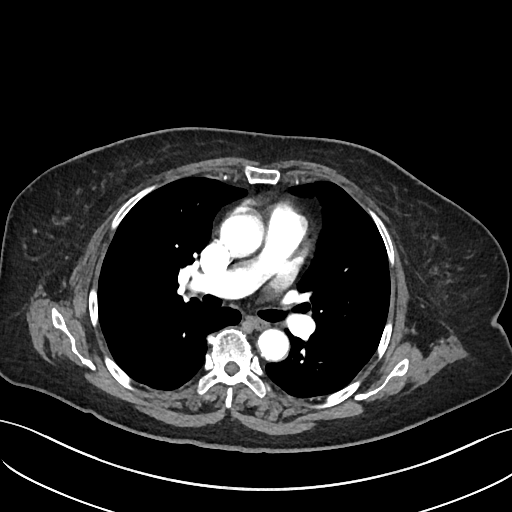

Chest-level slice from an abdominal CT that extends up into the chest. axial view. W/L 400/40 HU. scan has 15 labeled organs (that count is for the whole scan; organs this slice misses have no box)
On a slice this high in the chest, this dataset labels only the esophagus and the aorta, and each is boxed only where it is labeled; the heart, lungs and other chest structures are not labeled.
<organs><organ name="esophagus" x1="248" y1="317" x2="268" y2="329"/><organ name="aorta" x1="219" y1="213" x2="262" y2="257"/><organ name="aorta" x1="257" y1="329" x2="289" y2="360"/></organs>